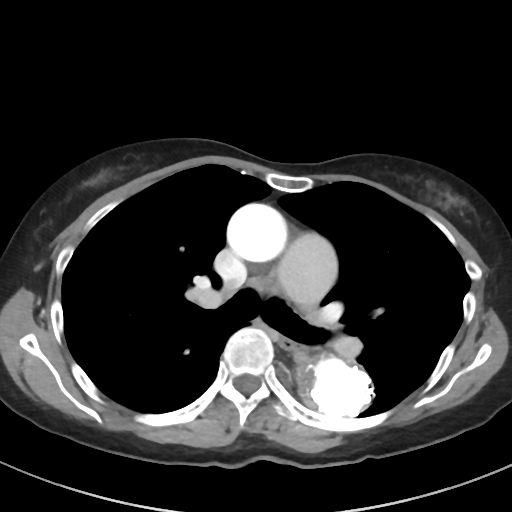

Chest-level slice from an abdominal CT that extends up into the chest — Axial slice 95/116 — acquired on SOMATOM Force
On a slice this high in the chest, this dataset labels only the esophagus and the aorta, and each is boxed only where it is labeled; the heart, lungs and other chest structures are not labeled.
<organs><organ name="esophagus" x1="280" y1="337" x2="296" y2="349"/><organ name="aorta" x1="299" y1="352" x2="374" y2="419"/><organ name="aorta" x1="227" y1="203" x2="287" y2="262"/></organs>